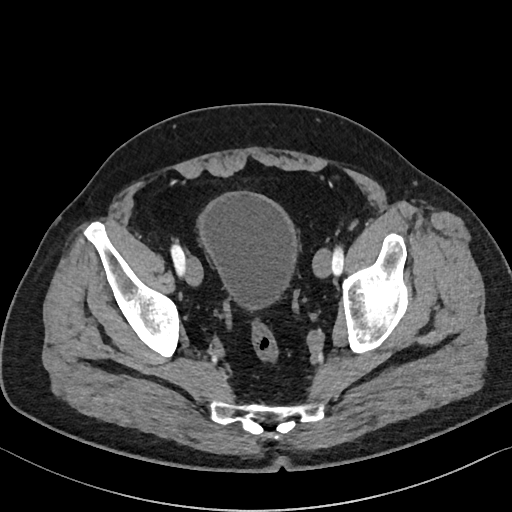
Abdominal CT; axial view; 512x512 px; SOMATOM Force scanner
<organs><organ name="bladder" x1="200" y1="193" x2="295" y2="308"/></organs>